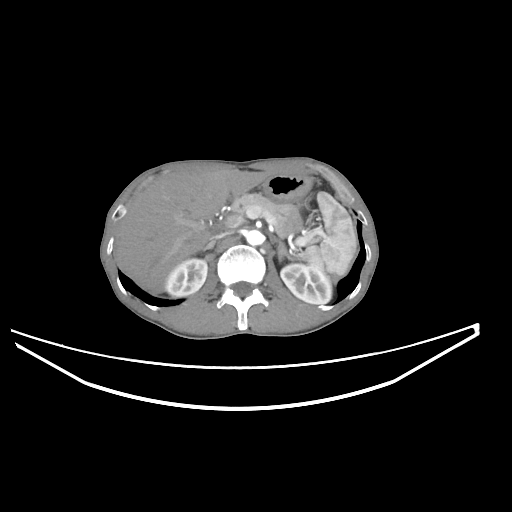

CT, abdomen/pelvis — axial view — 512x512 px — 60-year-old male patient — Aquilion ONE scanner
{"organs":{"right adrenal gland":[203,239,215,250],"left adrenal gland":[278,241,292,263],"pancreas":[232,193,297,237],"inferior vena cava":[208,229,235,243],"aorta":[246,230,263,245],"duodenum":[212,209,229,232],"stomach":[262,175,310,228],"left kidney":[280,262,331,303],"right kidney":[164,258,207,296],"spleen":[301,192,357,275],"liver":[115,170,269,293]}}